Computed tomography, abdomen; axial view; abdomen soft-tissue window; acquired on SOMATOM Force; scan has 15 labeled organs (counted over the whole 3D scan, not this slice; an organ is boxed only where this slice passes through it)
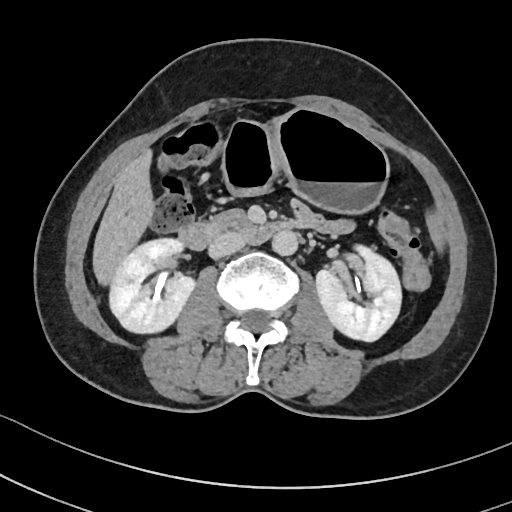 <organs><organ name="duodenum" x1="181" y1="218" x2="289" y2="249"/><organ name="right kidney" x1="107" y1="236" x2="194" y2="333"/><organ name="left kidney" x1="315" y1="242" x2="402" y2="342"/><organ name="pancreas" x1="213" y1="209" x2="245" y2="225"/><organ name="stomach" x1="221" y1="110" x2="387" y2="211"/><organ name="gall bladder" x1="160" y1="156" x2="169" y2="171"/><organ name="liver" x1="93" y1="151" x2="153" y2="280"/><organ name="aorta" x1="272" y1="229" x2="297" y2="254"/><organ name="inferior vena cava" x1="208" y1="231" x2="246" y2="258"/></organs>